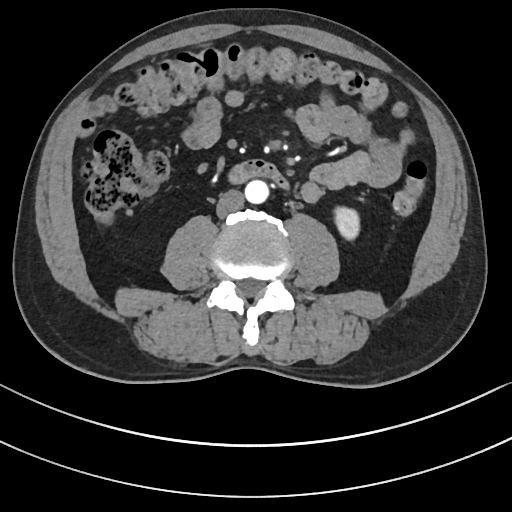 Computed tomography, abdomen. Axial slice 101/280
Organ boxes in pixel coordinates; each row gives the top-left (x1, y1) and bottom-right (x2, y2) corners.
| organ | x1 | y1 | x2 | y2 |
|---|---|---|---|---|
| left kidney | 335 | 206 | 360 | 238 |
| aorta | 244 | 180 | 268 | 204 |
| inferior vena cava | 216 | 190 | 243 | 218 |
| duodenum | 227 | 159 | 289 | 190 |